Computed tomography, abdomen. axial view. 66-year-old female patient. Brilliance16 scanner
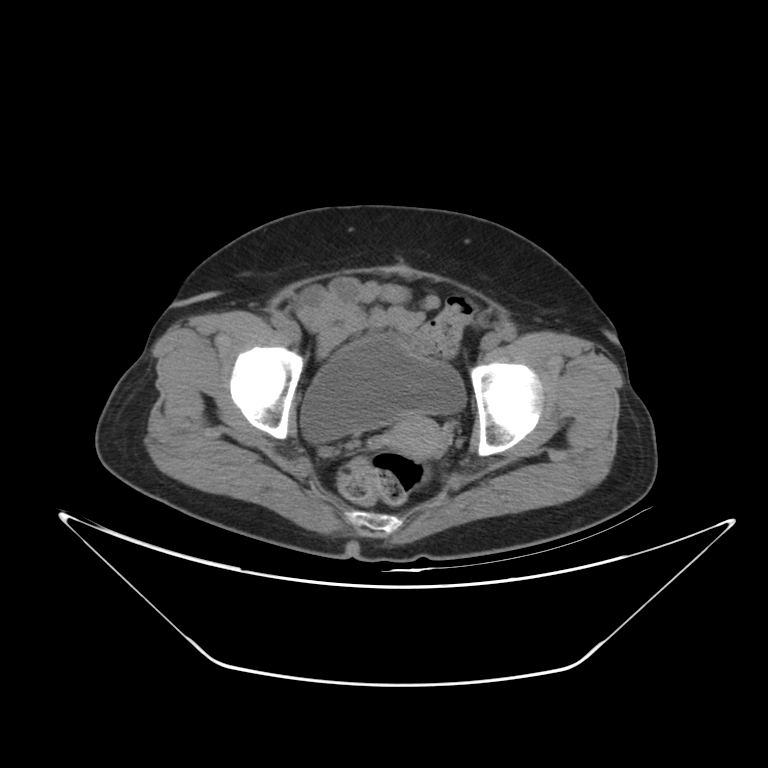 {"organs":{"bladder":[301,335,466,443],"prostate/uterus":[385,416,448,459]}}